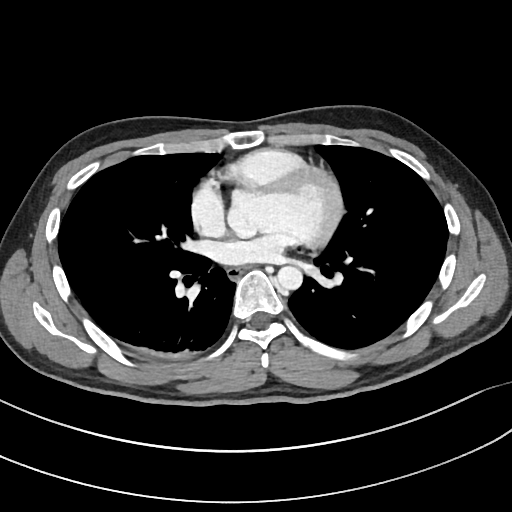

Abdominal CT; this slice is in the lower chest, just above the liver · axial view · soft-tissue window, W/L 400/40 · 512x512 px
No part of the heart or lungs is labeled in this dataset, so neither has a box here.
Bounding boxes as [x1, y1, x2, y2] in pixel coordinates.
esophagus: [229, 268, 243, 281]
aorta: [276, 265, 302, 290]